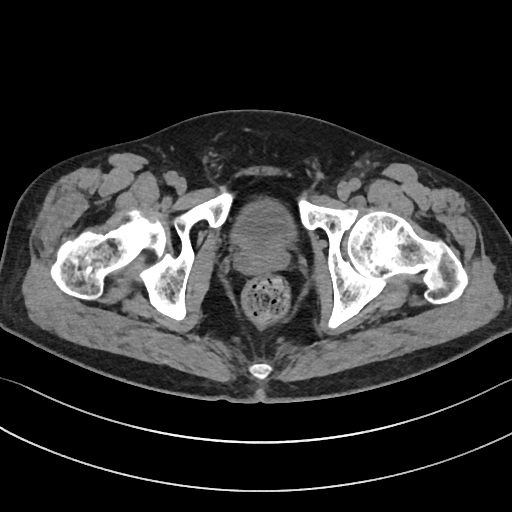

Abdominal CT · axial view · soft-tissue window (W 400 / L 40)
Coordinates as <box>x1,y1,x2,y2</box> in pixels. Labeled organs on this slice: bladder at <box>232,200,295,242</box>, prostate/uterus at <box>233,240,289,275</box>.